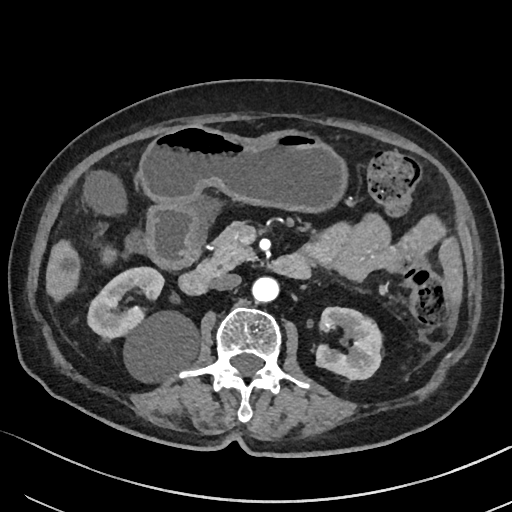
CT abdomen · axial plane, index 151 · W/L 400/40 HU
{"organs":{"right kidney":[88,267,197,379],"left kidney":[316,307,381,379],"gall bladder":[84,172,123,213],"liver":[46,242,79,300],"stomach":[140,125,347,269],"aorta":[253,277,279,301],"inferior vena cava":[213,274,241,289],"pancreas":[196,223,256,278],"duodenum":[178,255,310,293]}}